CT abdomen — axial view
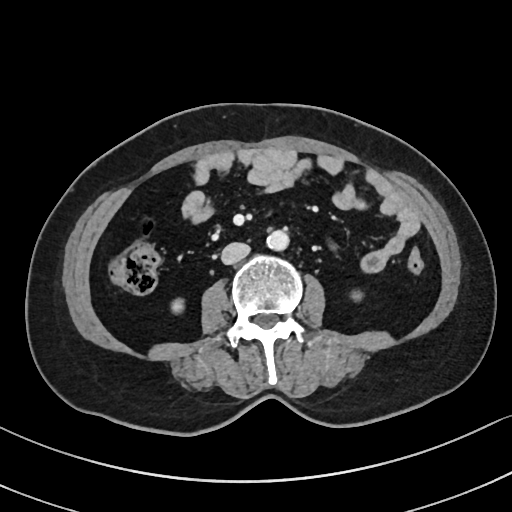 Boxes: x1 y1 x2 y2 (pixel coords, space-separated). Labeled organs on this slice: right kidney at 171 297 185 313, left kidney at 347 292 361 300, aorta at 266 230 288 251, inferior vena cava at 221 242 250 264.